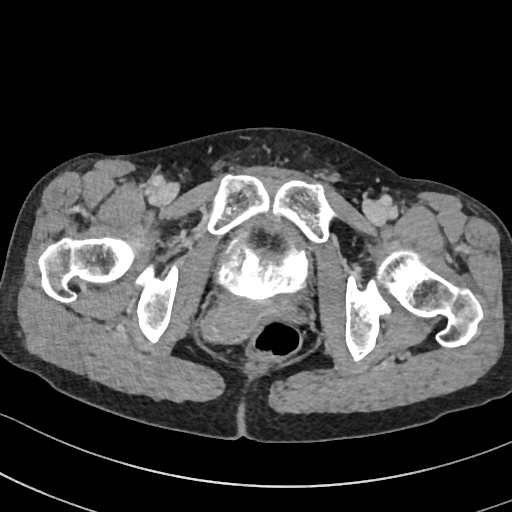 CT abdomen. Axial slice 12/192. 512x512 px. 15 organs annotated in this scan (a whole-scan count: organs this slice does not pass through have no box)
Boxes: x1 y1 x2 y2 (pixel coords, space-separated). Labeled organs on this slice: bladder at 218 216 307 302, prostate/uterus at 204 298 278 342.